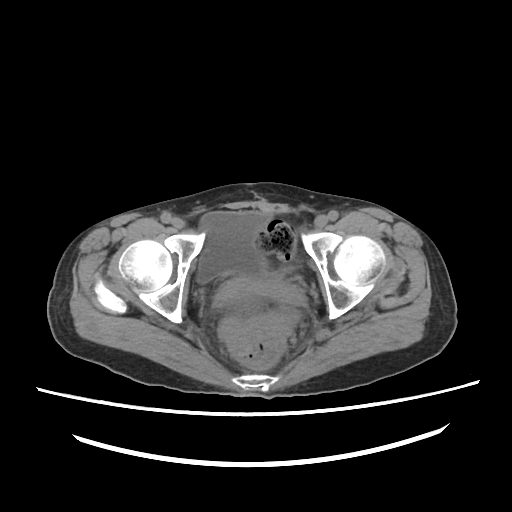
CT abdomen; axial view; acquired on Aquilion ONE; 15 organs annotated in this scan (counted over the whole 3D scan, not this slice; an organ is boxed only where this slice passes through it)
<organs><organ name="prostate/uterus" x1="223" y1="280" x2="295" y2="323"/><organ name="bladder" x1="197" y1="212" x2="270" y2="282"/></organs>